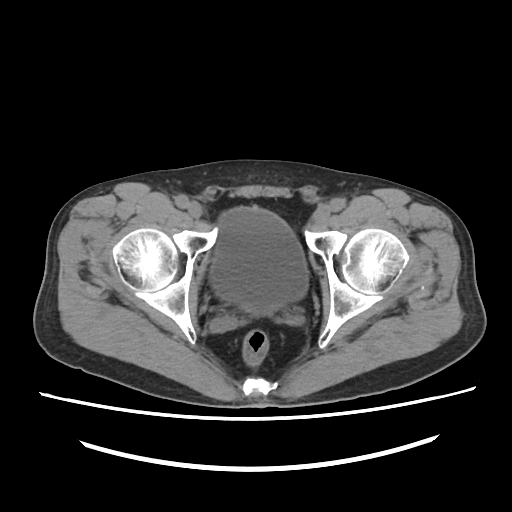 Computed tomography, abdomen — axial view — soft-tissue window (W 400 / L 40)
Coordinates as <box>x1,y1,x2,y2</box> in pixels. 1 labeled organ on this slice — bladder at <box>211,207,307,311</box>.